Abdominal CT — axial view
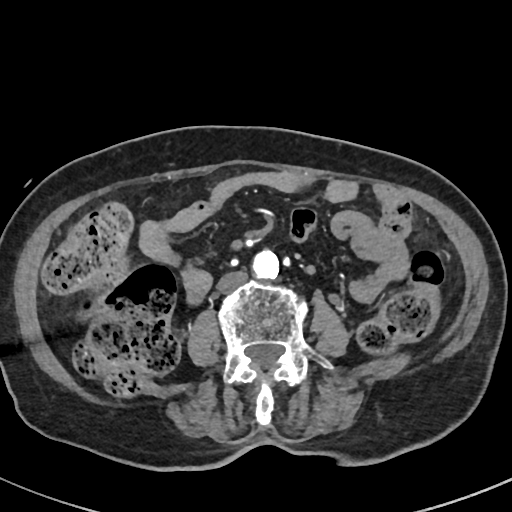
Box edges are left/top/right/bottom in pixels.
aorta: left=252, top=249, right=278, bottom=279
inferior vena cava: left=217, top=271, right=249, bottom=294